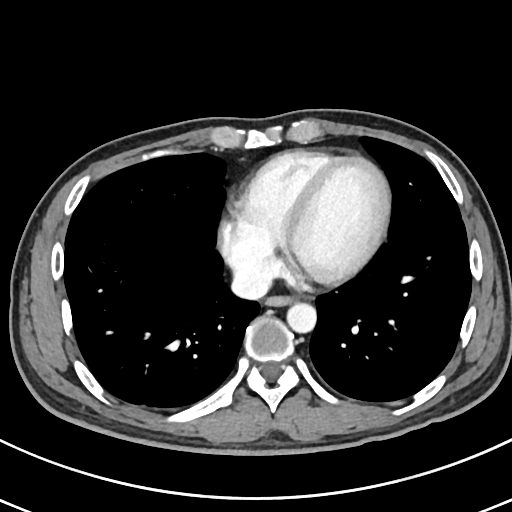
Abdominal CT; this slice is in the lower chest, just above the liver; axial view; soft-tissue window; 512x512 px
Of the structures in the chest, this dataset labels only the esophagus, the aorta and the inferior vena cava; the heart and lungs have no label.
<organs><organ name="esophagus" x1="265" y1="297" x2="292" y2="306"/><organ name="inferior vena cava" x1="232" y1="265" x2="271" y2="298"/><organ name="aorta" x1="287" y1="303" x2="316" y2="333"/></organs>